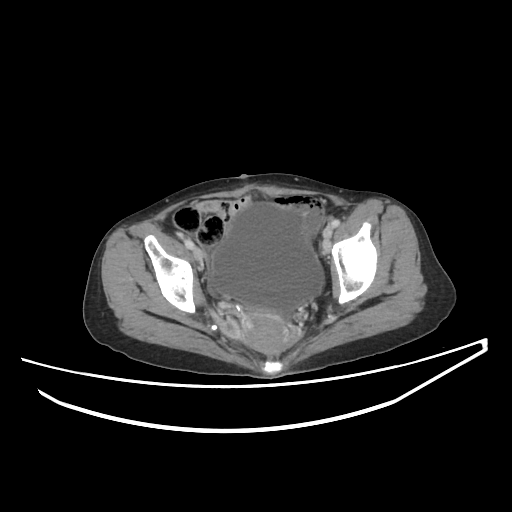

Abdominal CT · axial view · soft-tissue window · 512x512 px
Boxes: x1 y1 x2 y2 (pixel coords, space-separated).
bladder: 210 203 323 311
prostate/uterus: 243 312 289 351